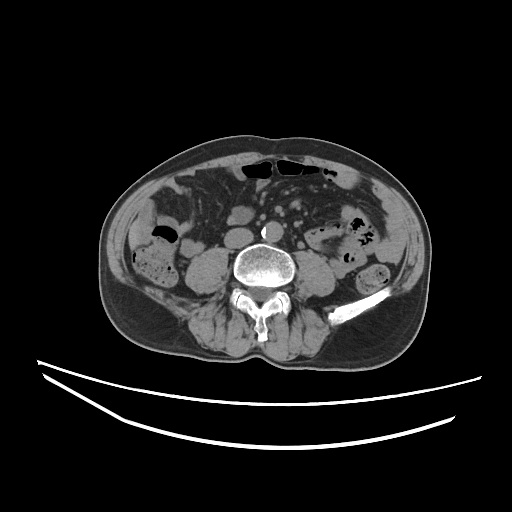 CT, abdomen/pelvis — axial view — W/L 400/40 HU — 68-year-old male patient
<organs><organ name="aorta" x1="261" y1="221" x2="283" y2="242"/><organ name="liver" x1="129" y1="225" x2="139" y2="247"/><organ name="inferior vena cava" x1="224" y1="228" x2="253" y2="248"/></organs>